CT abdomen. axial view. 512x512 px
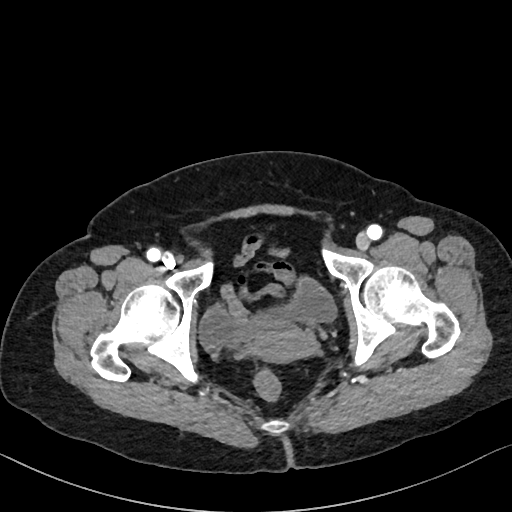
<organs><organ name="bladder" x1="199" y1="280" x2="336" y2="349"/><organ name="prostate/uterus" x1="250" y1="325" x2="314" y2="362"/></organs>